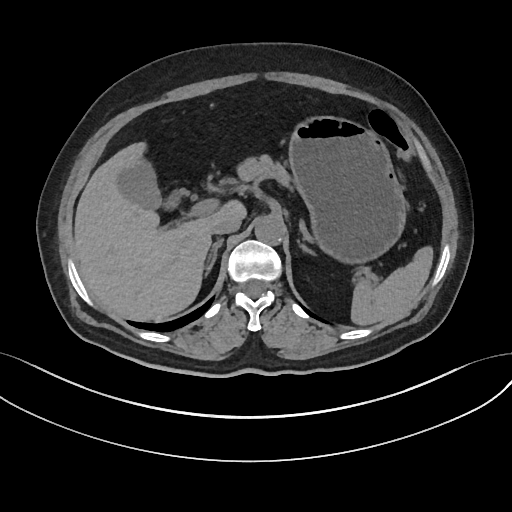
Abdominal CT · axial view · W/L 400/40 HU · 512x512 px
Boxes are (x1, y1, x2, y2) in pixels.
spleen: (351, 246, 433, 325)
gall bladder: (118, 158, 182, 209)
liver: (74, 142, 246, 320)
stomach: (289, 116, 406, 263)
aorta: (255, 216, 285, 244)
inferior vena cava: (211, 217, 240, 234)
pancreas: (236, 154, 291, 187)
right adrenal gland: (205, 238, 223, 276)
left adrenal gland: (298, 241, 315, 255)